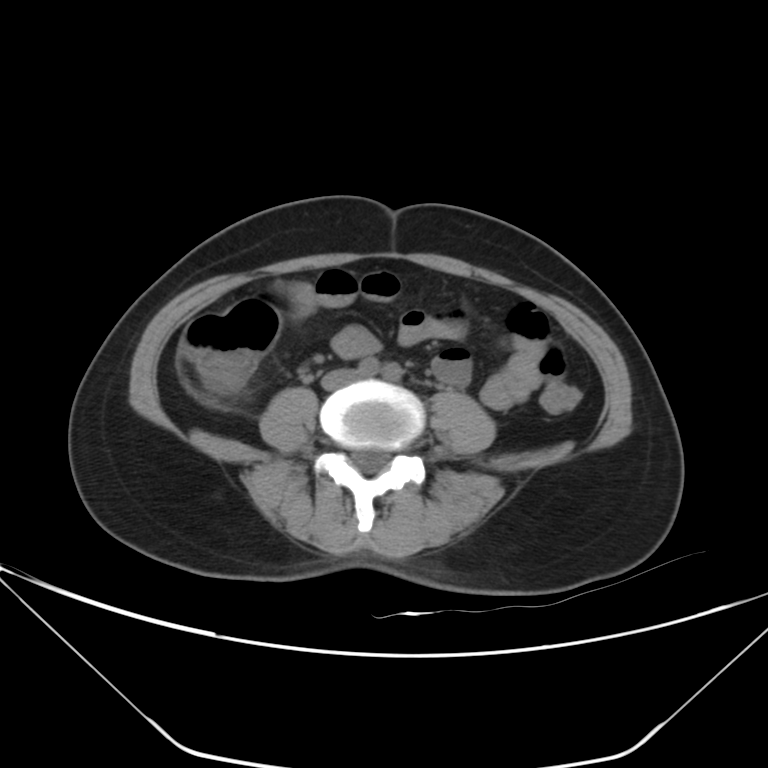 Computed tomography, abdomen — axial view
{"organs":{"inferior vena cava":[321,368,359,389]}}